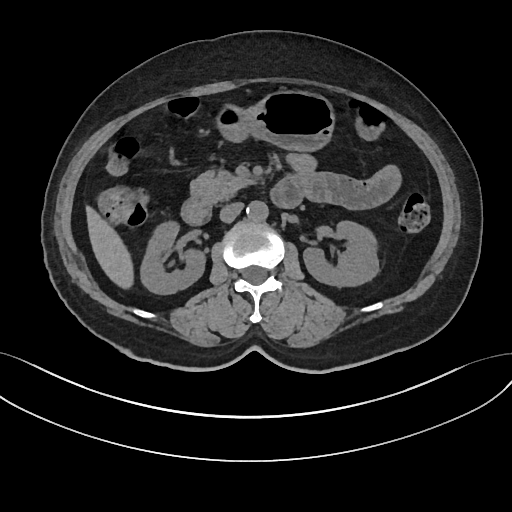
Computed tomography, abdomen — Axial slice 129/207 — soft-tissue window (W 400 / L 40)
{"organs":{"inferior vena cava":[219,202,243,222],"stomach":[216,91,334,150],"pancreas":[190,170,253,202],"left kidney":[303,221,378,286],"duodenum":[181,176,302,225],"right kidney":[140,221,205,294],"aorta":[246,201,268,221],"liver":[86,206,133,288]}}